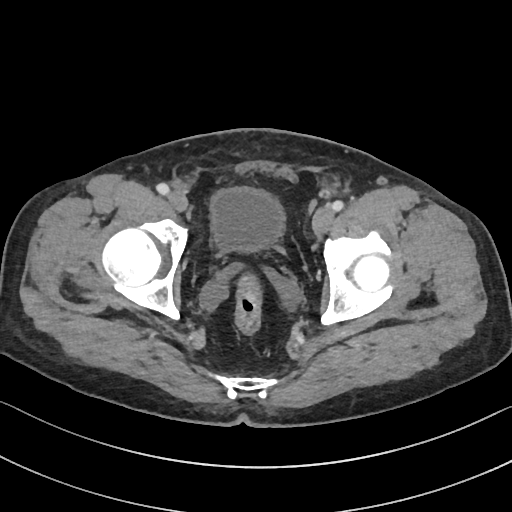

Abdominal CT · axial plane, index 49 · soft-tissue window · SOMATOM Force scanner · 14 organs annotated in this scan (a whole-scan count: organs this slice does not pass through have no box)
Boxes: x1 y1 x2 y2 (pixel coords, space-separated).
bladder: 210 188 285 252